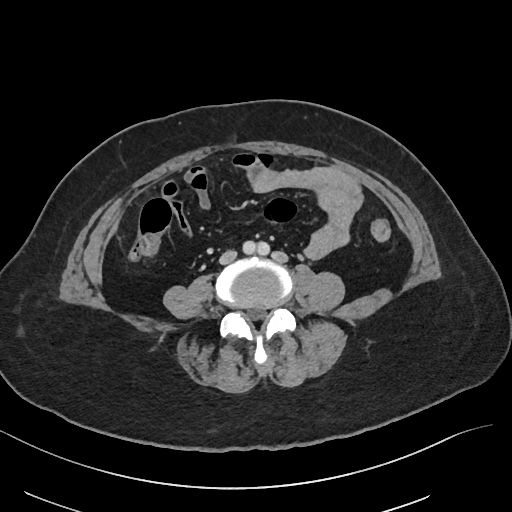 Computed tomography, abdomen · axial view · 512x512 px · acquired on SOMATOM Force
Boxes: x1 y1 x2 y2 (pixel coords, space-separated). 2 labeled organs on this slice — aorta at 243 240 269 255; inferior vena cava at 220 250 237 263.